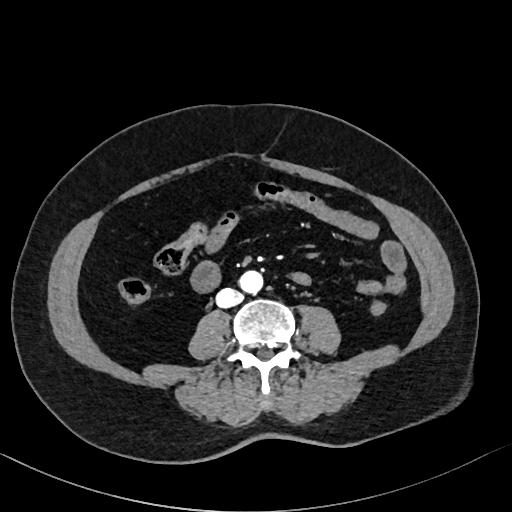
CT, abdomen/pelvis. axial plane, index 108. 512x512 px
Coordinates as <box>x1,y1,x2,y2</box> in pixels.
aorta: <box>239,270,263,293</box>
inferior vena cava: <box>216,288,242,308</box>